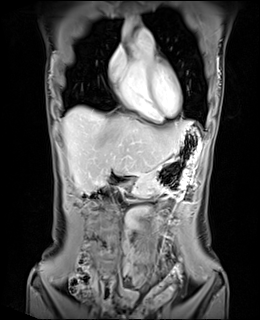
MRI, abdomen — coronal acquisition — 260x320 px — 13 organs annotated in this scan (a whole-scan count: organs this slice does not pass through have no box)
Each box given as x1,y1,x2,y2.
aorta: x1=121, y1=21, x2=130, y2=33
pancreas: x1=124, y1=168, x2=147, y2=174
duodenum: x1=106, y1=170, x2=140, y2=186
stomach: x1=133, y1=127, x2=203, y2=189
liver: x1=64, y1=106, x2=191, y2=189